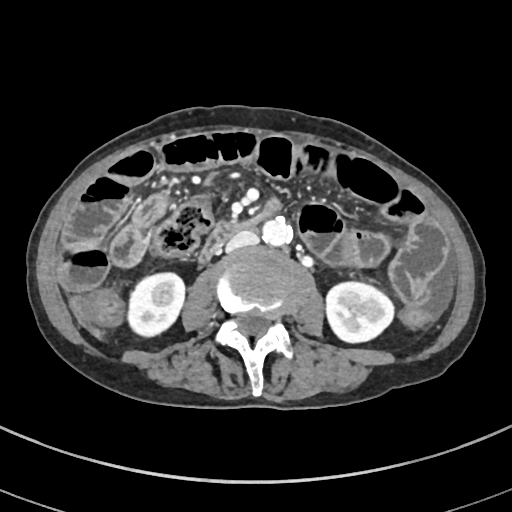 CT abdomen. axial view
Bounding boxes in pixels, one row per box: x1, y1 is the top-left corner and x2, y2 the bottom-right.
| organ | x1 | y1 | x2 | y2 |
|---|---|---|---|---|
| right kidney | 129 | 271 | 185 | 336 |
| left kidney | 324 | 280 | 395 | 343 |
| aorta | 260 | 220 | 293 | 245 |
| inferior vena cava | 225 | 230 | 257 | 252 |
| duodenum | 197 | 196 | 283 | 265 |